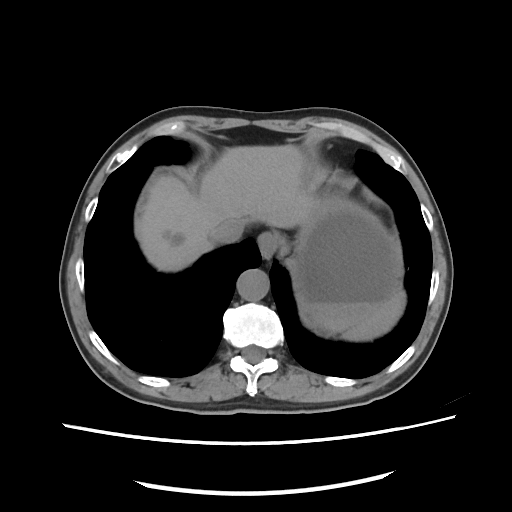

CT abdomen. axial view. soft-tissue window. 512x512 px
Boxes: x1 y1 x2 y2 (pixel coords, space-separated).
Organ bounding boxes:
- spleen: 340 290 405 340
- esophagus: 257 232 278 258
- liver: 136 144 321 271
- stomach: 287 195 402 333
- aorta: 236 269 269 300
- inferior vena cava: 212 220 243 243